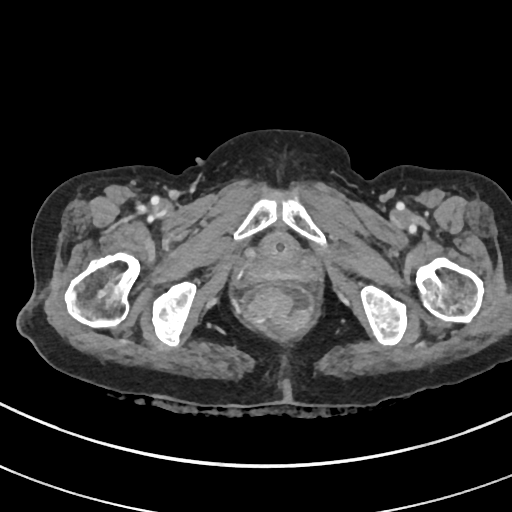 Abdominal CT — axial view — 512x512 px
Boxes: x1:y1:x2:y2 in pixels.
bladder: 258:234:300:265